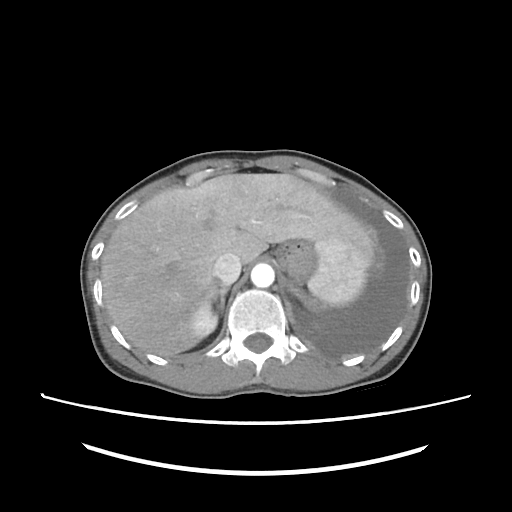

Computed tomography, abdomen · axial plane, index 70 · abdomen soft-tissue window · 512x512 px
Organ boxes in pixel coordinates; each row gives the top-left (x1, y1) and bottom-right (x2, y2) corners.
| organ | x1 | y1 | x2 | y2 |
|---|---|---|---|---|
| spleen | 307 | 239 | 369 | 305 |
| right kidney | 191 | 303 | 217 | 336 |
| liver | 102 | 173 | 374 | 355 |
| stomach | 277 | 241 | 315 | 281 |
| aorta | 251 | 263 | 274 | 287 |
| inferior vena cava | 214 | 253 | 241 | 285 |
| right adrenal gland | 207 | 285 | 229 | 314 |